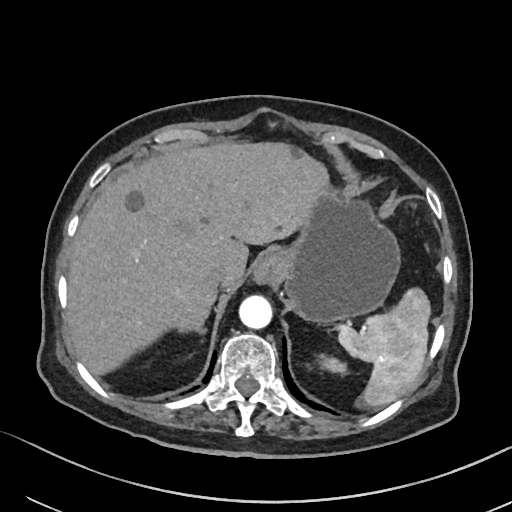

Computed tomography, abdomen — axial view — scan has 15 labeled organs (a whole-scan count: organs this slice does not pass through have no box)
Coordinates as <box>x1,y1,x2,y2</box> in pixels.
Organ bounding boxes:
- inferior vena cava: <box>206,264,231,289</box>
- aorta: <box>239,295,271,328</box>
- stomach: <box>260,187,402,323</box>
- spleen: <box>339,290,431,408</box>
- right adrenal gland: <box>179,323,208,333</box>
- esophagus: <box>254,250,283,284</box>
- liver: <box>66,141,329,374</box>
- left kidney: <box>318,353,348,376</box>